CT, abdomen/pelvis — axial plane, index 46 — W/L 400/40 HU — Brilliance16 scanner
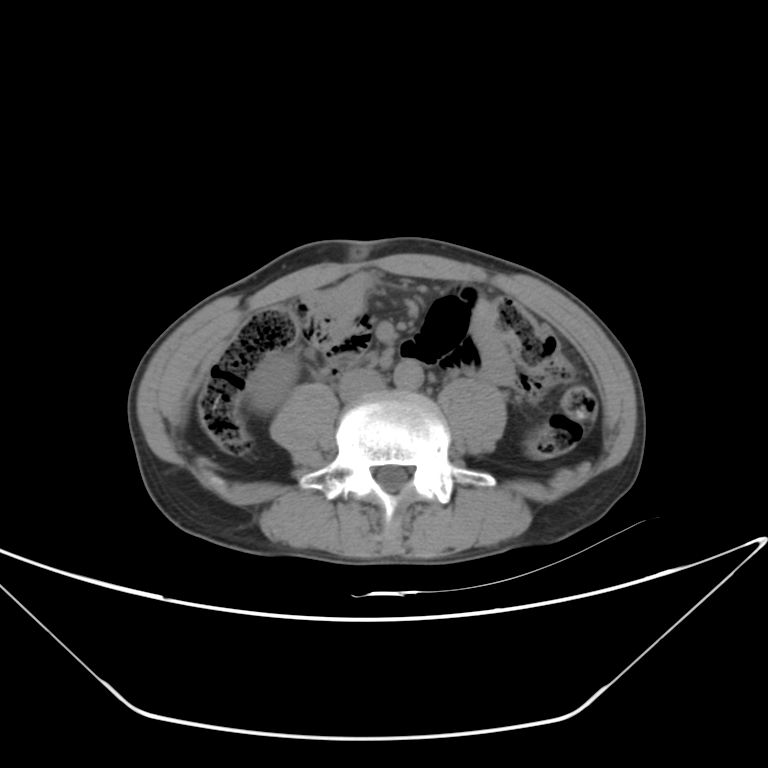

Bounding boxes as [x1, y1, x2, y2] in pixel coordinates.
Organ bounding boxes:
- inferior vena cava: [339, 369, 385, 401]
- duodenum: [333, 355, 355, 367]
- right kidney: [246, 352, 298, 411]
- aorta: [394, 359, 424, 390]